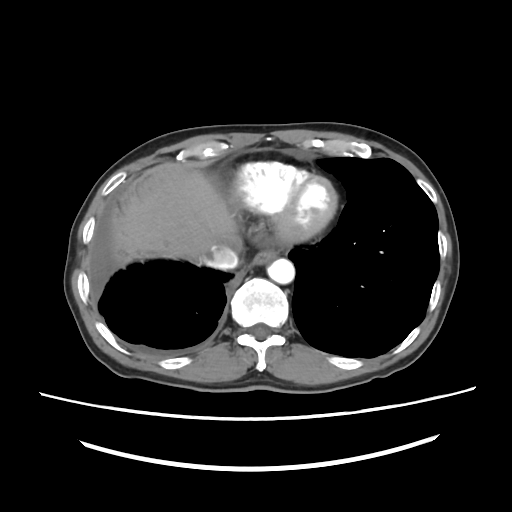

CT abdomen. Axial slice 82/134. 512x512 px. acquired on Aquilion ONE
Each box given as x1,y1,x2,y2.
Organ bounding boxes:
- aorta: x1=267, y1=258, x2=294, y2=284
- liver: x1=111, y1=168, x2=241, y2=262
- inferior vena cava: x1=201, y1=245, x2=238, y2=269
- esophagus: x1=252, y1=248, x2=279, y2=265